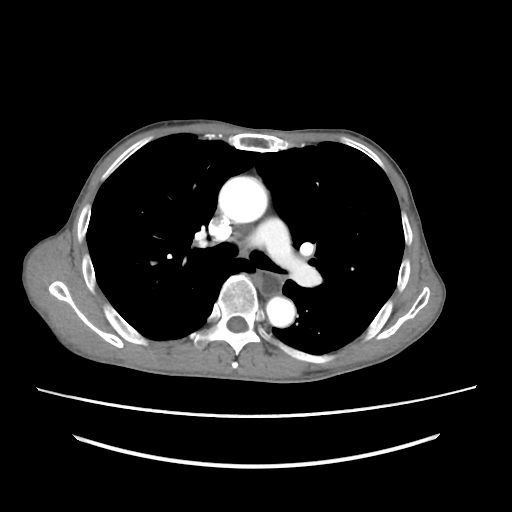

Chest-level slice from an abdominal CT that extends up into the chest. axial view. soft-tissue window (W 400 / L 40). 512x512 px. 62-year-old male patient
At this level of the chest this dataset labels only the esophagus and the aorta, and each is boxed only where it is labeled; the heart and lungs are never labeled.
{"organs":{"esophagus":[260,273,282,295],"aorta":[[218,176,267,223],[266,296,295,327]]}}